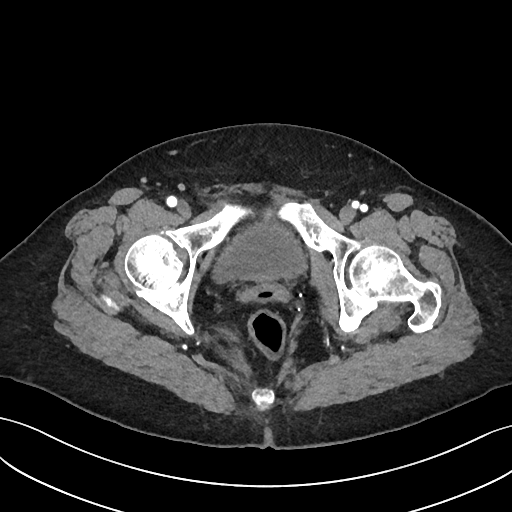

CT, abdomen/pelvis. axial view. 512x512 px
Boxes: x1:y1:x2:y2 in pixels. Labeled organs on this slice: bladder at 216:222:305:282.